Abdominal CT. axial view. W/L 400/40 HU. 768x768 px
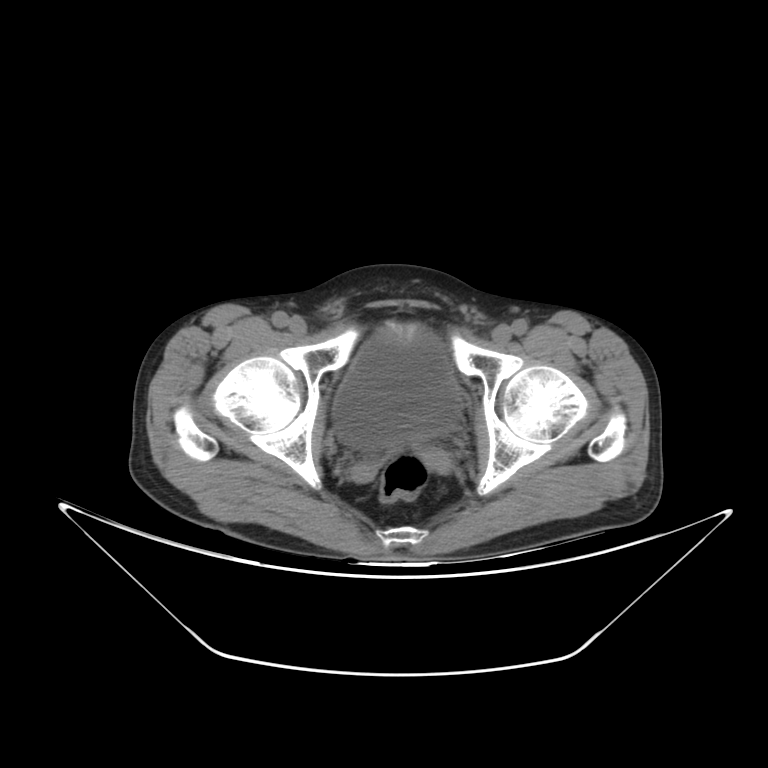 Organ boxes in pixel coordinates; each row gives the top-left (x1, y1) and bottom-right (x2, y2) corners.
| organ | x1 | y1 | x2 | y2 |
|---|---|---|---|---|
| bladder | 332 | 329 | 460 | 449 |